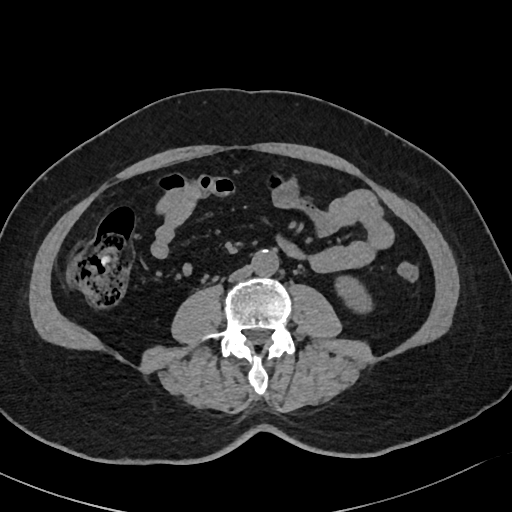

CT, abdomen/pelvis; axial view; abdomen soft-tissue window; 512x512 px; scan has 15 labeled organs (a whole-scan count: organs this slice does not pass through have no box)
{"organs":{"left kidney":[335,276,372,312],"inferior vena cava":[228,266,252,282],"aorta":[251,249,278,275]}}